Computed tomography, abdomen; axial view; soft-tissue window (W 400 / L 40); 43-year-old female patient
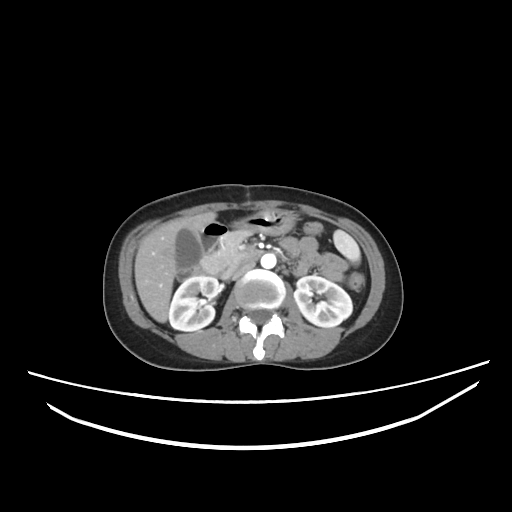
Bounding boxes in pixels, one row per box: x1, y1 is the top-left corner and x2, y2 the bottom-right.
| organ | x1 | y1 | x2 | y2 |
|---|---|---|---|---|
| inferior vena cava | 231 | 260 | 255 | 279 |
| aorta | 261 | 254 | 276 | 268 |
| pancreas | 201 | 230 | 249 | 279 |
| left kidney | 294 | 275 | 352 | 327 |
| stomach | 232 | 209 | 296 | 235 |
| duodenum | 177 | 221 | 262 | 280 |
| spleen | 333 | 230 | 360 | 262 |
| gall bladder | 176 | 228 | 201 | 268 |
| right kidney | 168 | 275 | 219 | 331 |
| liver | 134 | 211 | 216 | 322 |